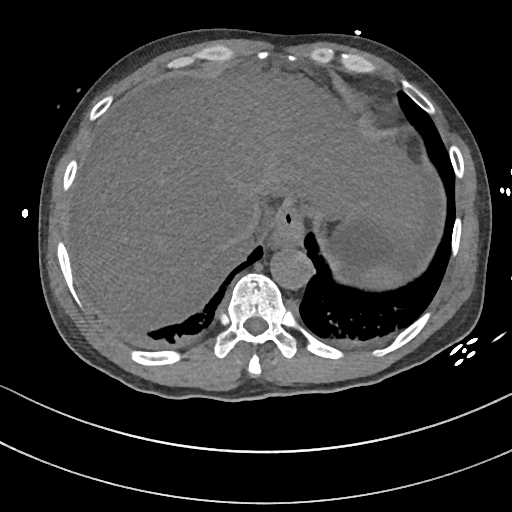 CT, abdomen/pelvis; axial view; soft-tissue window (W 400 / L 40); 15 organs annotated in this scan (a whole-scan count: organs this slice does not pass through have no box)
Coordinates as <box>x1,y1,x2,y2</box> in pixels.
spleen: <box>354,267,403,288</box>
esophagus: <box>270,206,304,247</box>
liver: <box>75,71,425,331</box>
stomach: <box>322,208,427,279</box>
aorta: <box>269,246,311,288</box>
inferior vena cava: <box>234,215,257,244</box>